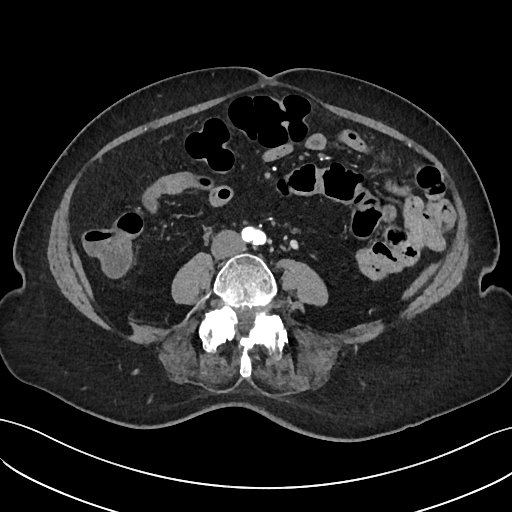

Abdominal CT — axial view — 512x512 px
{"organs":{"aorta":[241,238,249,242],"inferior vena cava":[211,230,244,258]}}